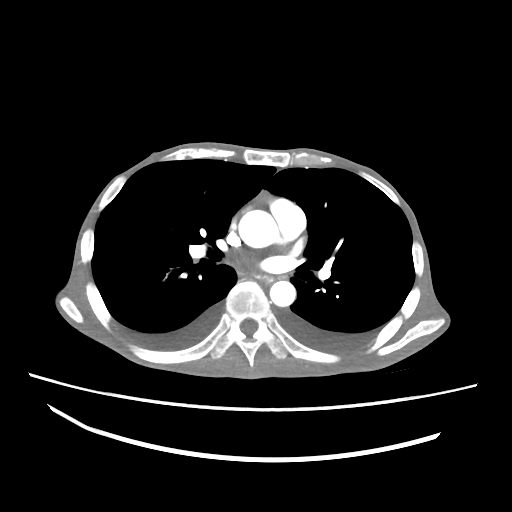 Chest-level CT slice, above the liver and spleen. axial view. soft-tissue window (W 400 / L 40). 512x512 px. 47-year-old male patient
At this level of the chest no structure but the esophagus and the aorta has a label in this dataset, and those two are boxed only where they are labeled.
Coordinates as <box>x1,y1,x2,y2</box> in pixels.
Organ bounding boxes:
- esophagus: <box>257,273,274,282</box>
- aorta: <box>238,210,278,247</box>
- aorta: <box>269,281,295,306</box>